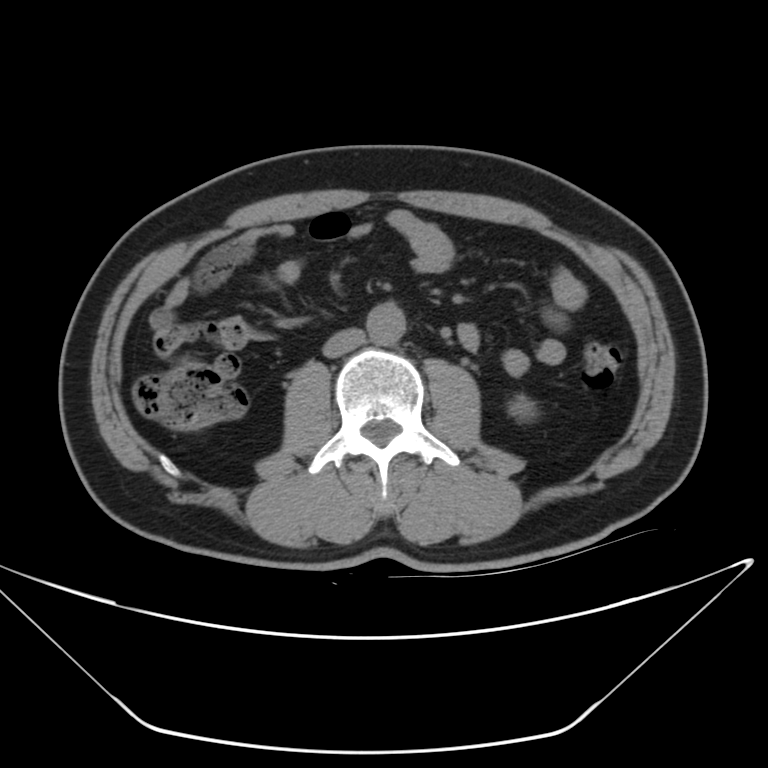
CT abdomen. axial view. W/L 400/40 HU. 15 organs annotated in this scan (a whole-scan count: organs this slice does not pass through have no box)
<organs><organ name="inferior vena cava" x1="323" y1="331" x2="362" y2="358"/><organ name="left kidney" x1="508" y1="397" x2="538" y2="424"/><organ name="aorta" x1="366" y1="300" x2="405" y2="344"/></organs>